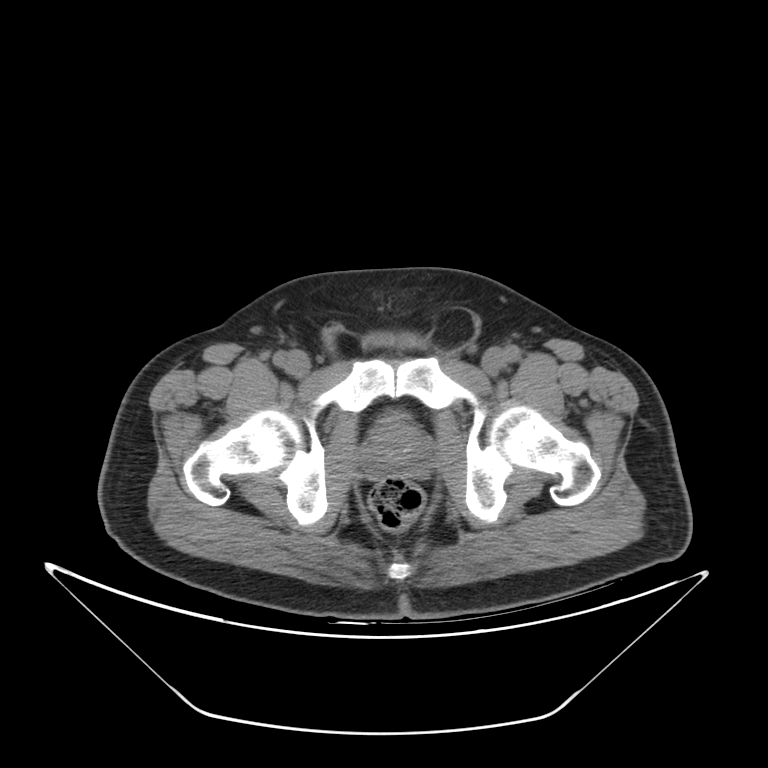 CT abdomen · axial view · soft-tissue window · acquired on Brilliance16 · scan has 15 labeled organs (counted over the whole 3D scan, not this slice; an organ is boxed only where this slice passes through it)
Organ boxes in pixel coordinates; each row gives the top-left (x1, y1) and bottom-right (x2, y2) corners.
| organ | x1 | y1 | x2 | y2 |
|---|---|---|---|---|
| bladder | 376 | 412 | 407 | 424 |
| prostate/uterus | 358 | 423 | 431 | 476 |